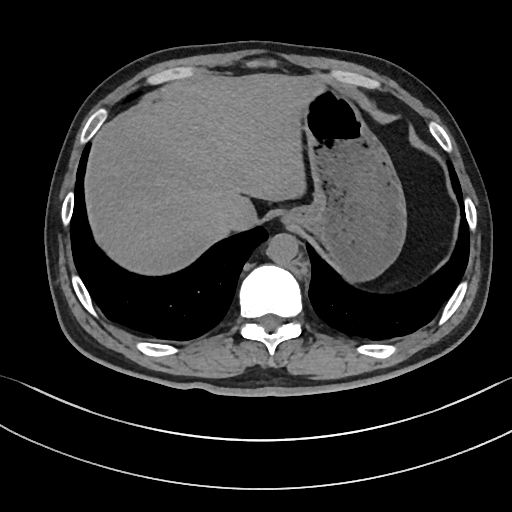
Computed tomography, abdomen — axial view — 512x512 px — scan has 15 labeled organs (counted over the whole 3D scan, not this slice; an organ is boxed only where this slice passes through it)
Boxes are (x1, y1, x2, y2) in pixels.
Organ bounding boxes:
- inferior vena cava: (218, 204, 245, 229)
- stomach: (283, 89, 406, 279)
- aorta: (266, 233, 298, 263)
- liver: (86, 75, 320, 274)
- esophagus: (281, 217, 289, 223)